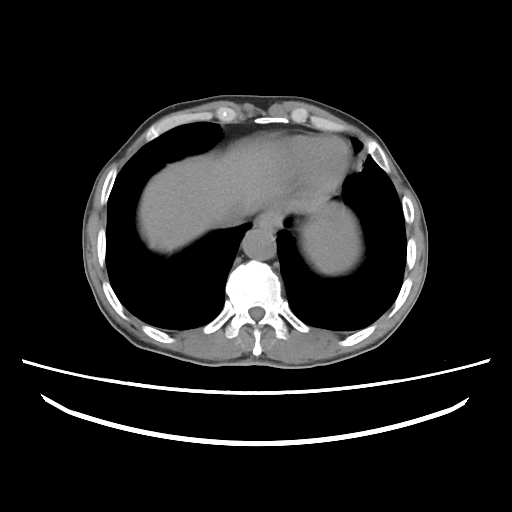
CT, abdomen/pelvis · Axial slice 86/90 · 512x512 px · 15 organs annotated in this scan (counted over the whole 3D scan, not this slice; an organ is boxed only where this slice passes through it)
Boxes are (x1, y1, x2, y2) in pixels.
spleen: (304, 201, 358, 274)
esophagus: (254, 211, 282, 232)
liver: (139, 140, 326, 250)
aorta: (242, 228, 276, 260)
inferior vena cava: (217, 211, 243, 226)